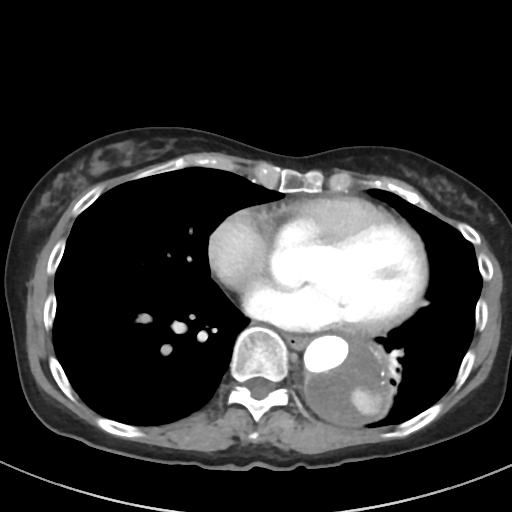 Chest-level slice from an abdominal CT that extends up into the chest — axial plane, index 79 — W/L 400/40 HU — 512x512 px — scan has 15 labeled organs (that count is for the whole scan; organs this slice misses have no box)
At this level of the chest this dataset labels only the esophagus and the aorta, and each is boxed only where it is labeled; the heart and lungs are never labeled.
<organs><organ name="esophagus" x1="286" y1="335" x2="308" y2="348"/><organ name="aorta" x1="303" y1="336" x2="393" y2="425"/></organs>